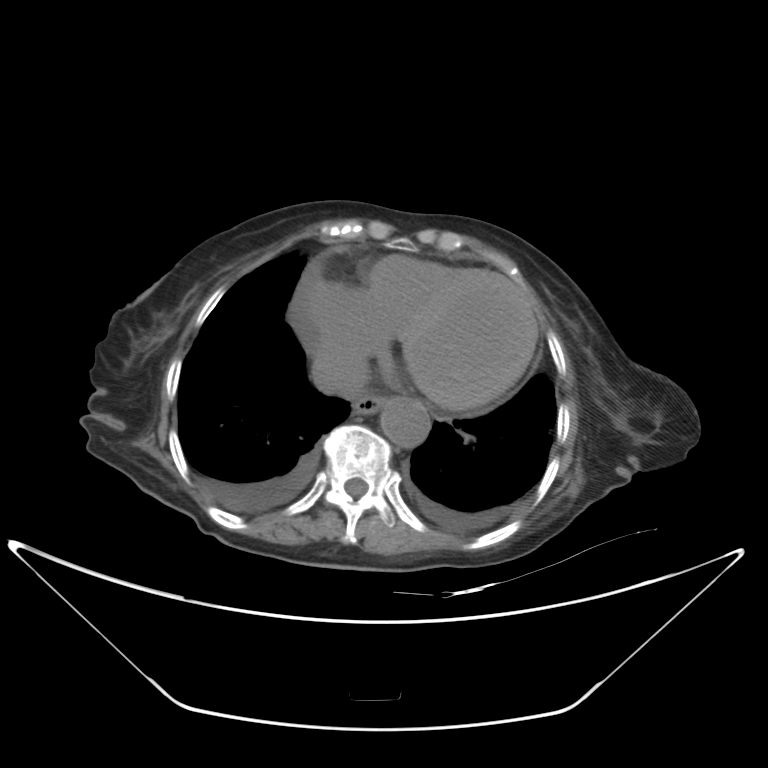
CT of the abdomen reaching into the lower chest, slice just above the liver and spleen — axial plane, index 73
No part of the heart or lungs is labeled in this dataset, so neither has a box here.
Boxes: x1 y1 x2 y2 (pixel coords, space-separated).
inferior vena cava: 311 351 368 397
aorta: 380 396 430 448
esophagus: 352 392 384 413